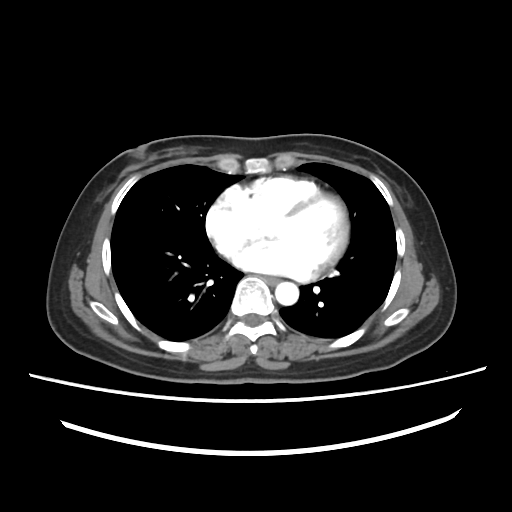

CT of the abdomen reaching into the lower chest, slice just above the liver and spleen. Axial slice 94/123. 45-year-old female patient. 15 organs annotated in this scan (a whole-scan count: organs this slice does not pass through have no box)
Of the structures in the chest, this dataset labels only the esophagus, the aorta and the inferior vena cava; the heart and lungs have no label.
Bounding boxes as [x1, y1, x2, y2] in pixel coordinates.
aorta: [275, 282, 298, 305]
esophagus: [263, 276, 280, 284]